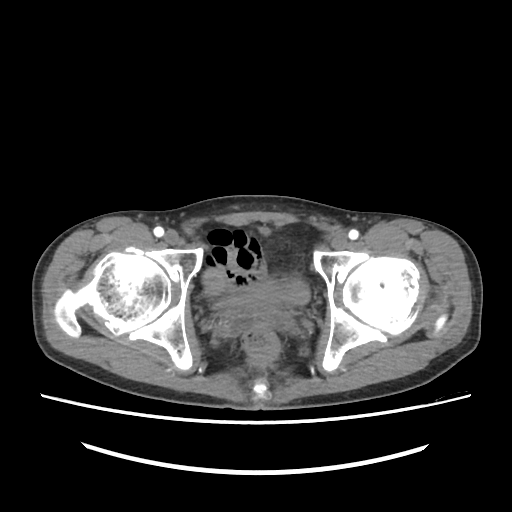 CT, abdomen/pelvis — axial view — acquired on Aquilion ONE
One row per box, in pixels: columns x1 and y1 give the top-left corner, x2 and y2 the bottom-right.
| organ | x1 | y1 | x2 | y2 |
|---|---|---|---|---|
| prostate/uterus | 245 | 306 | 273 | 315 |
| bladder | 215 | 280 | 309 | 310 |